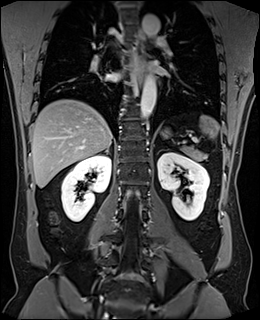

Magnetic resonance imaging, abdomen — coronal acquisition — 260x320 px — scan has 13 labeled organs (counted over the whole 3D scan, not this slice; an organ is boxed only where this slice passes through it)
<organs><organ name="spleen" x1="183" y1="115" x2="219" y2="145"/><organ name="right kidney" x1="61" y1="155" x2="110" y2="221"/><organ name="left kidney" x1="157" y1="152" x2="209" y2="220"/><organ name="esophagus" x1="132" y1="32" x2="145" y2="86"/><organ name="liver" x1="31" y1="99" x2="112" y2="187"/><organ name="stomach" x1="163" y1="130" x2="169" y2="136"/><organ name="aorta" x1="140" y1="73" x2="156" y2="120"/><organ name="aorta" x1="142" y1="14" x2="159" y2="36"/><organ name="pancreas" x1="179" y1="145" x2="205" y2="160"/><organ name="right adrenal gland" x1="99" y1="147" x2="109" y2="154"/></organs>